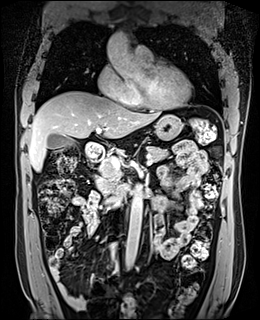 MRI, abdomen · Coronal slice 86/144 · 1st–99th percentile window · 260x320 px · scan has 13 labeled organs (counted over the whole 3D scan, not this slice; an organ is boxed only where this slice passes through it)
Each box given as x1,y1,x2,y2. 6 labeled organs on this slice — gall bladder at x1=47, y1=134, x2=75, y2=148; liver at x1=29, y1=91, x2=162, y2=171; stomach at x1=154, y1=114, x2=182, y2=140; aorta at x1=106, y1=32, x2=146, y2=82; aorta at x1=125, y1=186, x2=143, y2=268; pancreas at x1=96, y1=146, x2=168, y2=194; duodenum at x1=84, y1=142, x2=129, y2=204.